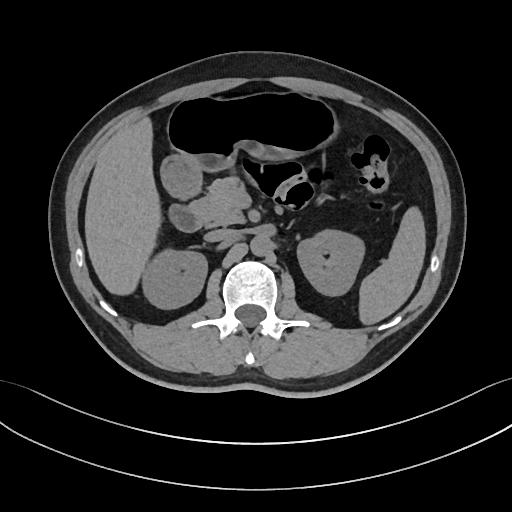

CT abdomen. axial view. 512x512 px
Boxes: x1:y1:x2:y2 in pixels.
Organ bounding boxes:
- spleen: 357:204:426:326
- right kidney: 144:251:207:309
- left kidney: 297:231:362:296
- liver: 84:118:161:295
- stomach: 161:93:339:196
- aorta: 250:235:271:256
- inferior vena cava: 206:228:236:241
- pancreas: 192:175:244:226
- left adrenal gland: 287:222:291:227
- duodenum: 169:183:202:232